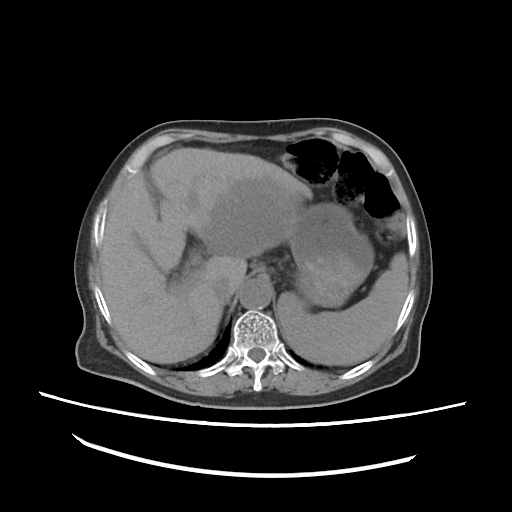
Computed tomography, abdomen; Axial slice 78/100; abdomen soft-tissue window
Bounding boxes as [x1, y1, x2, y2] in pixel coordinates.
spleen: [277, 252, 409, 366]
liver: [100, 148, 313, 364]
stomach: [291, 204, 374, 306]
aorta: [239, 280, 271, 308]
inferior vena cava: [214, 278, 233, 301]